CT abdomen — axial view
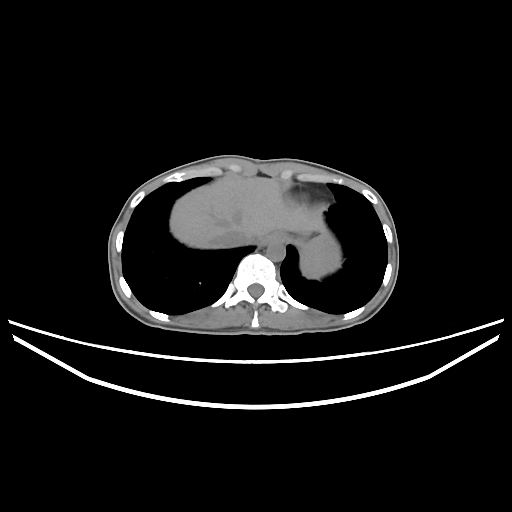 Box edges are left/top/right/bottom in pixels. The annotated organs in this slice are: spleen at left=299, top=236, right=340, bottom=278, esophagus at left=261, top=231, right=286, bottom=244, liver at left=170, top=177, right=330, bottom=248, aorta at left=266, top=241, right=285, bottom=261, inferior vena cava at left=219, top=231, right=251, bottom=246.